Lower-chest slice from an abdominal CT, just above the liver and spleen; axial view; 73-year-old female patient; Aquilion ONE scanner
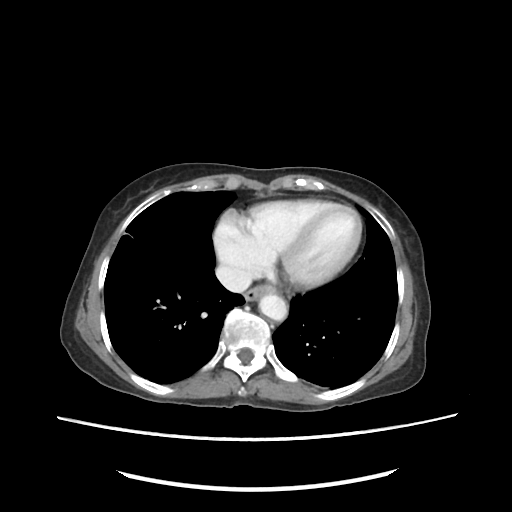

Of the structures in the chest, this dataset labels only the esophagus, the aorta and the inferior vena cava; the heart and lungs have no label. Coordinates as <box>x1,y1,x2,y2</box> in pixels. The annotated organs in this slice are: esophagus at <box>245,286,273,300</box>, aorta at <box>258,294,286,320</box>, inferior vena cava at <box>216,261,252,293</box>.